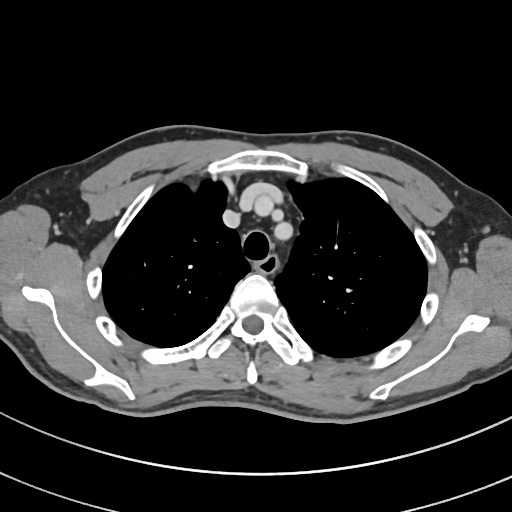 Chest-level CT slice, above the liver and spleen — Axial slice 258/298 — acquired on SOMATOM Force — scan has 15 labeled organs (counted over the whole 3D scan, not this slice; an organ is boxed only where this slice passes through it)
At this level of the chest no structure but the esophagus and the aorta has a label in this dataset, and those two are boxed only where they are labeled.
Boxes: x1 y1 x2 y2 (pixel coords, space-separated).
Organ bounding boxes:
- aorta: 284 245 300 267
- esophagus: 257 256 278 274